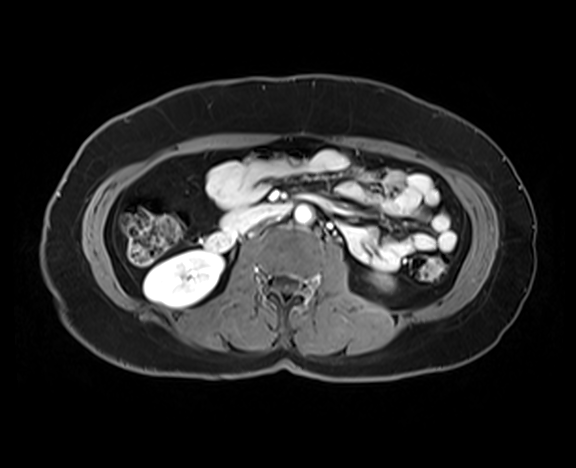 MRI, abdomen · Axial slice 2/72 · 576x468 px
Coordinates as <box>x1,y1,x2,y2</box> in pixels.
Organ bounding boxes:
- right kidney: <box>144,250,223,307</box>
- left kidney: <box>378,277,390,287</box>
- aorta: <box>295,205,311,223</box>
- inferior vena cava: <box>255,219,272,225</box>
- pancreas: <box>222,208,256,229</box>
- duodenum: <box>205,203,290,250</box>